Chest-level CT slice, above the liver and spleen. axial plane, index 229. soft-tissue window (W 400 / L 40). acquired on SOMATOM Force
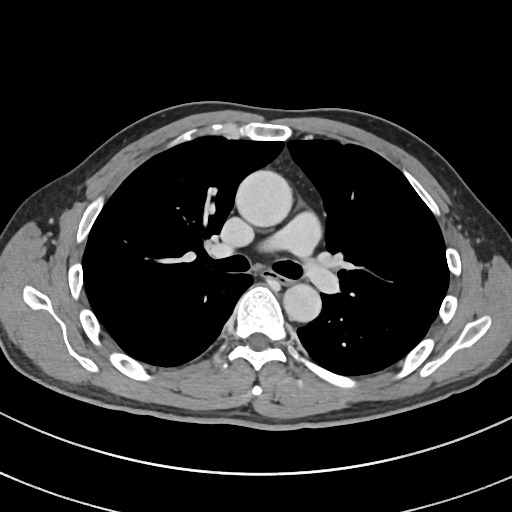

On a slice this high in the chest, this dataset labels only the esophagus and the aorta, and each is boxed only where it is labeled; the heart, lungs and other chest structures are not labeled.
{"organs":{"esophagus":[262,270,292,283],"aorta":[[235,170,292,227],[283,283,321,322]]}}